CT, abdomen/pelvis · axial plane, index 46 · W/L 400/40 HU · scan has 15 labeled organs (a whole-scan count: organs this slice does not pass through have no box)
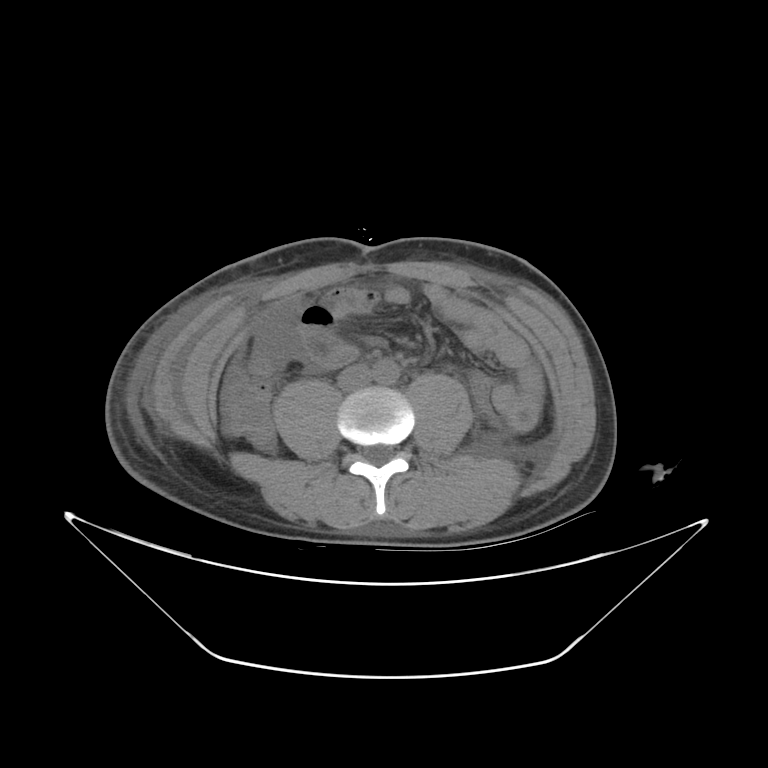 Boxes: x1 y1 x2 y2 (pixel coords, space-separated).
Organ bounding boxes:
- aorta: 374 360 399 384
- inferior vena cava: 337 364 371 391